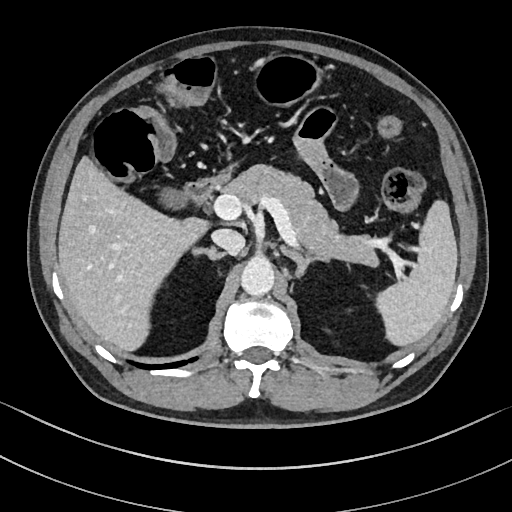

CT abdomen — axial view — abdomen soft-tissue window — 512x512 px — acquired on SOMATOM Force — scan has 15 labeled organs (counted over the whole 3D scan, not this slice; an organ is boxed only where this slice passes through it)
Bounding boxes as [x1, y1, x2, y2] in pixel coordinates.
spleen: [376, 199, 457, 345]
gall bladder: [162, 191, 186, 206]
liver: [59, 158, 208, 350]
stomach: [257, 56, 317, 104]
aorta: [241, 256, 274, 294]
inferior vena cava: [211, 229, 245, 255]
pancreas: [218, 166, 378, 265]
right adrenal gland: [196, 246, 223, 258]
left adrenal gland: [281, 244, 329, 275]
duodenum: [183, 174, 228, 206]